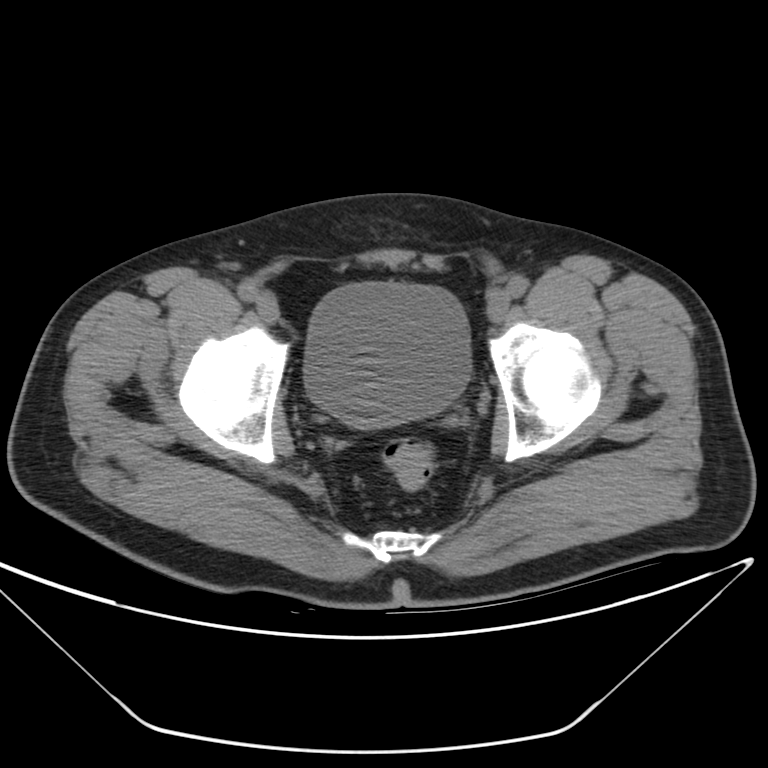

Abdominal CT — axial view — 768x768 px
<organs><organ name="bladder" x1="304" y1="277" x2="468" y2="426"/></organs>